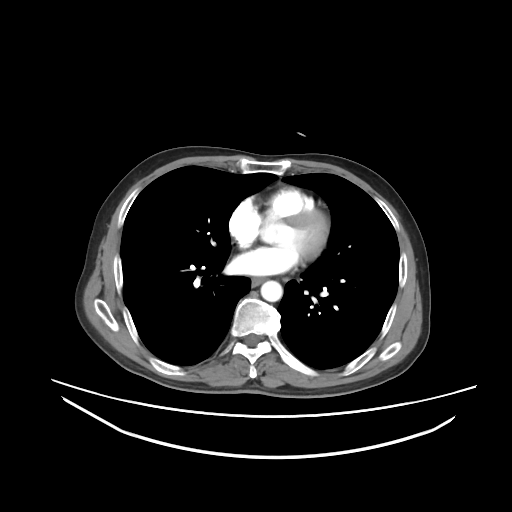
CT of the abdomen extending into the chest, slice through the chest. axial view. soft-tissue window (W 400 / L 40). 512x512 px
At this level of the chest this dataset labels only the esophagus and the aorta, and each is boxed only where it is labeled; the heart and lungs are never labeled.
<organs><organ name="esophagus" x1="251" y1="277" x2="265" y2="285"/><organ name="aorta" x1="260" y1="280" x2="282" y2="301"/></organs>